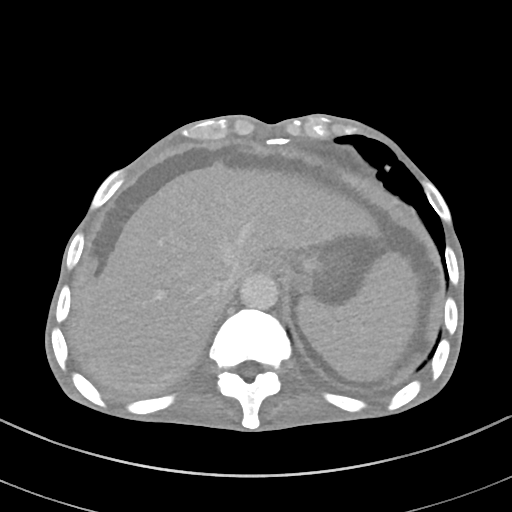
Abdominal CT; axial view; 512x512 px; SOMATOM Force scanner
One row per box, in pixels: columns x1 and y1 give the top-left corner, x2 and y2 the bottom-right.
| organ | x1 | y1 | x2 | y2 |
|---|---|---|---|---|
| spleen | 297 | 253 | 419 | 380 |
| esophagus | 260 | 254 | 286 | 273 |
| liver | 84 | 164 | 375 | 393 |
| stomach | 300 | 256 | 318 | 271 |
| aorta | 239 | 272 | 278 | 309 |
| inferior vena cava | 227 | 268 | 245 | 285 |